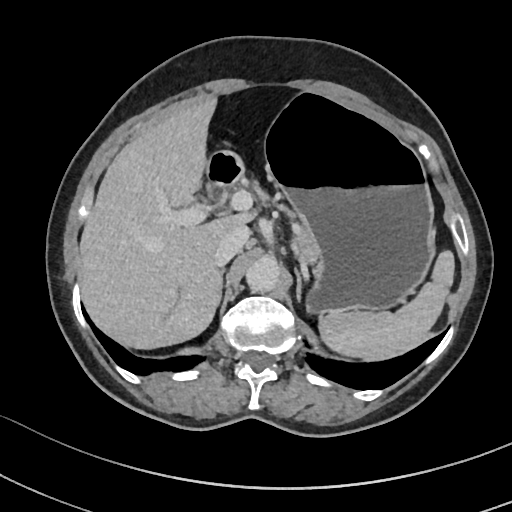
Computed tomography, abdomen — Axial slice 148/192 — 512x512 px
Boxes: x1 y1 x2 y2 (pixel coords, space-separated).
Organ bounding boxes:
- spleen: 318 252 454 358
- liver: 79 100 254 348
- stomach: 267 95 434 313
- aorta: 245 257 280 293
- inferior vena cava: 215 225 250 265
- pancreas: 252 182 315 264
- left adrenal gland: 293 267 302 301
- duodenum: 206 150 244 188